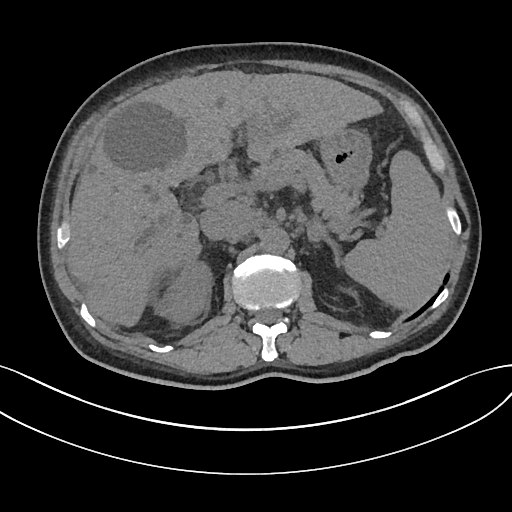
Abdominal CT. axial view. soft-tissue window (W 400 / L 40). 512x512 px
<organs><organ name="spleen" x1="338" y1="152" x2="451" y2="309"/><organ name="right kidney" x1="158" y1="264" x2="211" y2="321"/><organ name="liver" x1="66" y1="70" x2="385" y2="327"/><organ name="stomach" x1="321" y1="130" x2="372" y2="192"/><organ name="aorta" x1="260" y1="227" x2="289" y2="253"/><organ name="inferior vena cava" x1="200" y1="202" x2="244" y2="239"/><organ name="pancreas" x1="256" y1="150" x2="357" y2="223"/><organ name="left adrenal gland" x1="306" y1="221" x2="337" y2="262"/></organs>